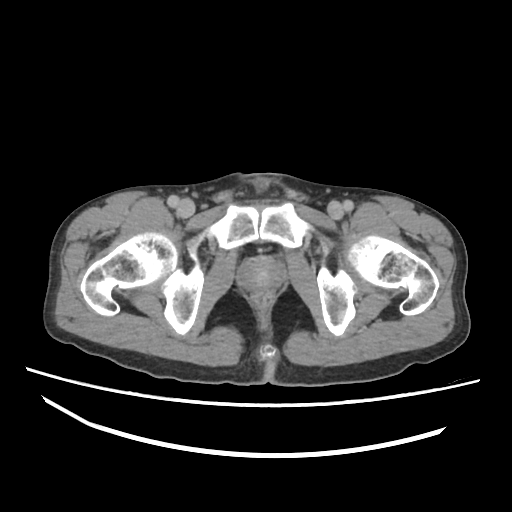
CT abdomen · axial view · 512x512 px
<organs><organ name="prostate/uterus" x1="239" y1="257" x2="286" y2="289"/></organs>